CT abdomen. Axial slice 127/207. soft-tissue window. 512x512 px
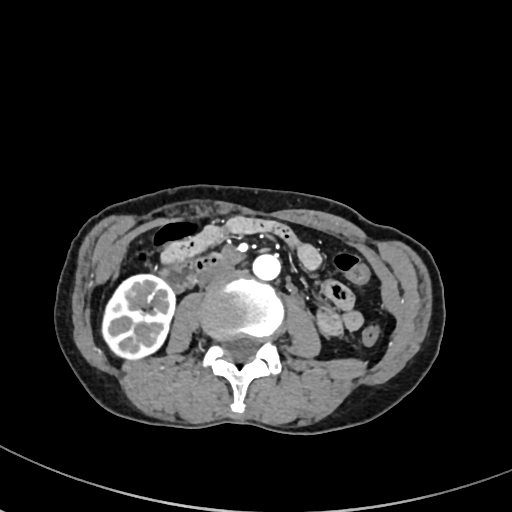

One row per box, in pixels: columns x1 and y1 give the top-left corner, x2 and y2 the bottom-right.
| organ | x1 | y1 | x2 | y2 |
|---|---|---|---|---|
| right kidney | 104 | 275 | 175 | 360 |
| aorta | 251 | 254 | 281 | 280 |
| inferior vena cava | 197 | 266 | 230 | 284 |
| duodenum | 160 | 256 | 225 | 290 |